CT abdomen — axial plane, index 49 — 75-year-old female patient — acquired on Aquilion ONE — 15 organs annotated in this scan (counted over the whole 3D scan, not this slice; an organ is boxed only where this slice passes through it)
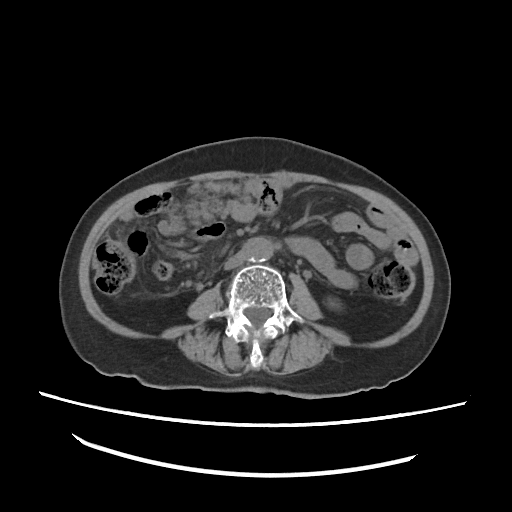 Boxes are (x1, y1, x2, y2) in pixels.
Organ bounding boxes:
- aorta: (243, 238, 272, 263)
- inferior vena cava: (223, 252, 243, 271)